CT abdomen · axial plane, index 149 · W/L 400/40 HU · 512x512 px
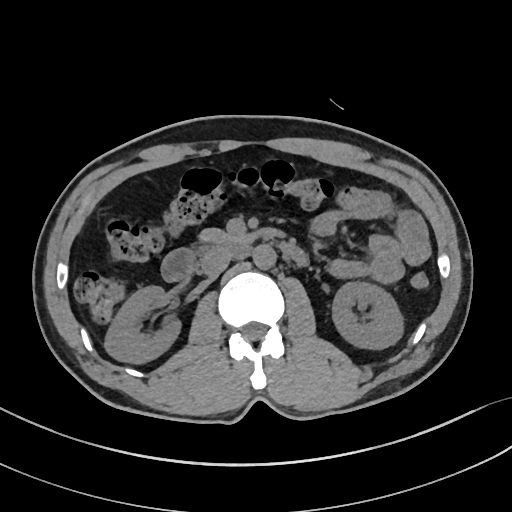

Each box given as x1,y1,x2,y2.
Organ bounding boxes:
- duodenum: x1=161, y1=242, x2=307, y2=281
- pancreas: x1=199, y1=229, x2=258, y2=243
- left kidney: x1=332, y1=282, x2=403, y2=349
- aorta: x1=252, y1=244, x2=276, y2=269
- right kidney: x1=104, y1=286, x2=180, y2=363
- inferior vena cava: x1=201, y1=248, x2=232, y2=277